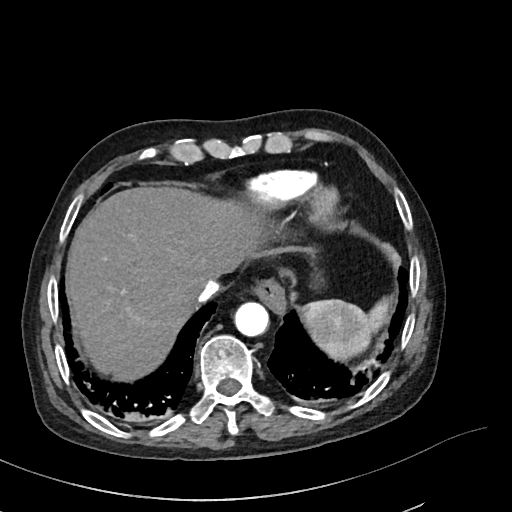 CT, abdomen/pelvis — axial view — W/L 400/40 HU — acquired on SOMATOM Force
{"organs":{"esophagus":[257,281,284,313],"spleen":[301,298,390,359],"aorta":[234,302,268,336],"liver":[70,185,262,379],"inferior vena cava":[195,281,217,304]}}